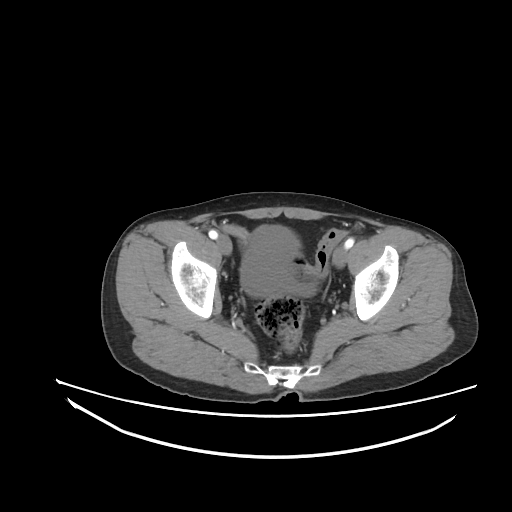

CT abdomen · axial plane, index 25 · W/L 400/40 HU
One row per box, in pixels: columns x1 and y1 give the top-left corner, x2 and y2 the bottom-right.
| organ | x1 | y1 | x2 | y2 |
|---|---|---|---|---|
| bladder | 240 | 226 | 314 | 297 |